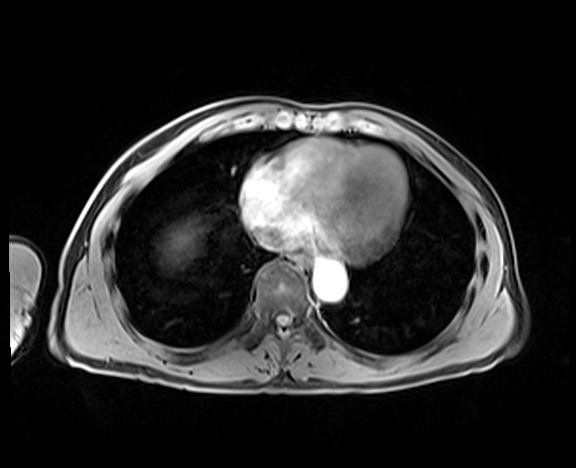 Abdominal MRI; Axial slice 64/72; 1st–99th percentile window; 576x468 px; scan has 13 labeled organs (counted over the whole 3D scan, not this slice; an organ is boxed only where this slice passes through it)
Each box given as x1,y1,x2,y2.
Organ bounding boxes:
- esophagus: x1=293, y1=255, x2=310, y2=269
- liver: x1=157, y1=217, x2=202, y2=269
- aorta: x1=313, y1=262, x2=346, y2=300
- inferior vena cava: x1=257, y1=231, x2=285, y2=250